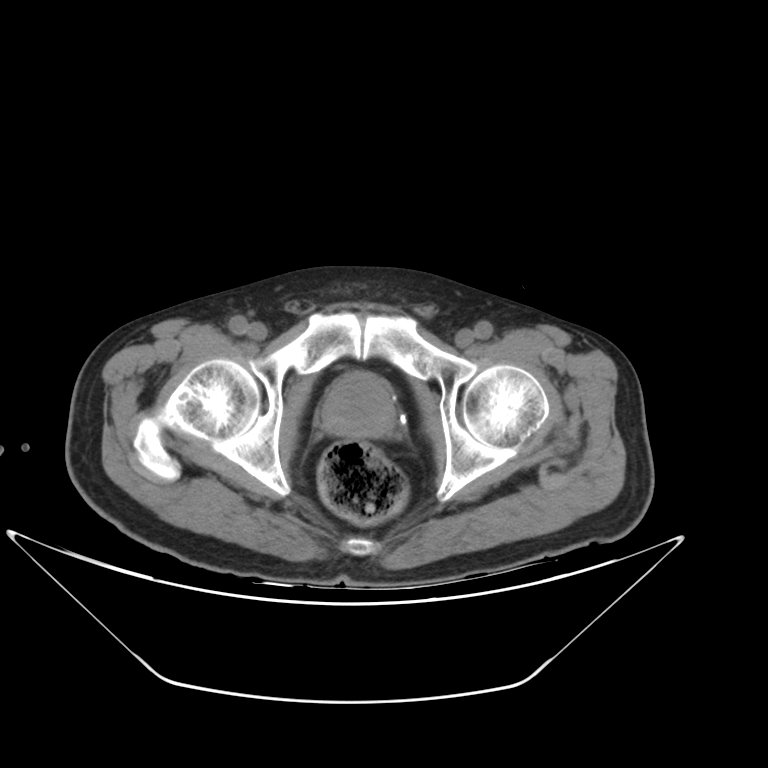

CT, abdomen/pelvis; Axial slice 15/104
<organs><organ name="prostate/uterus" x1="322" y1="371" x2="396" y2="438"/></organs>